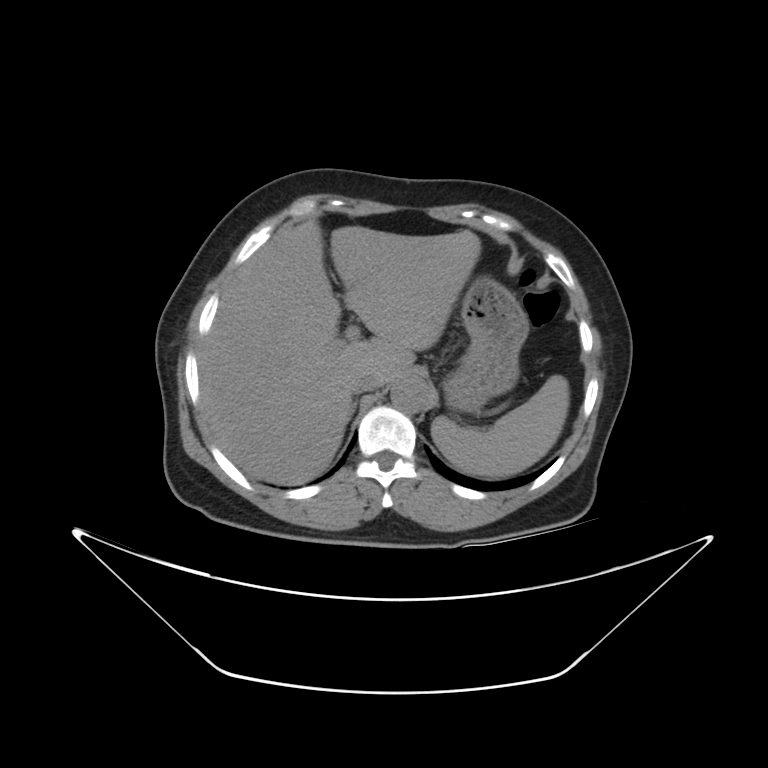 CT abdomen. axial view. 768x768 px. 15 organs annotated in this scan (a whole-scan count: organs this slice does not pass through have no box)
<organs><organ name="spleen" x1="432" y1="375" x2="570" y2="475"/><organ name="liver" x1="197" y1="218" x2="480" y2="484"/><organ name="stomach" x1="444" y1="278" x2="526" y2="409"/><organ name="aorta" x1="389" y1="377" x2="429" y2="413"/><organ name="inferior vena cava" x1="353" y1="372" x2="377" y2="395"/><organ name="right adrenal gland" x1="347" y1="405" x2="354" y2="424"/></organs>